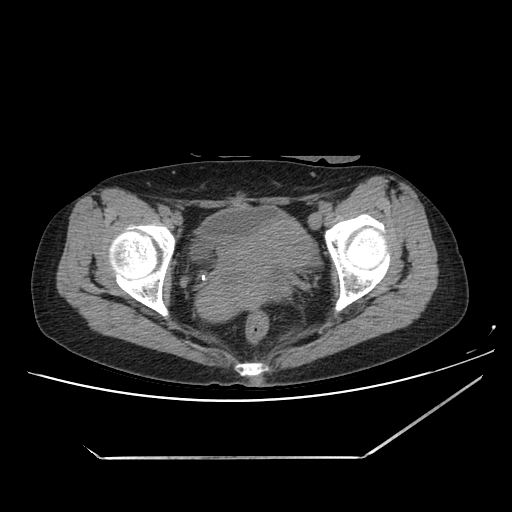
CT abdomen · axial view · 14 organs annotated in this scan (a whole-scan count: organs this slice does not pass through have no box)
<organs><organ name="bladder" x1="191" y1="206" x2="281" y2="258"/><organ name="prostate/uterus" x1="196" y1="218" x2="315" y2="321"/></organs>